Computed tomography, abdomen — axial plane, index 49 — soft-tissue window
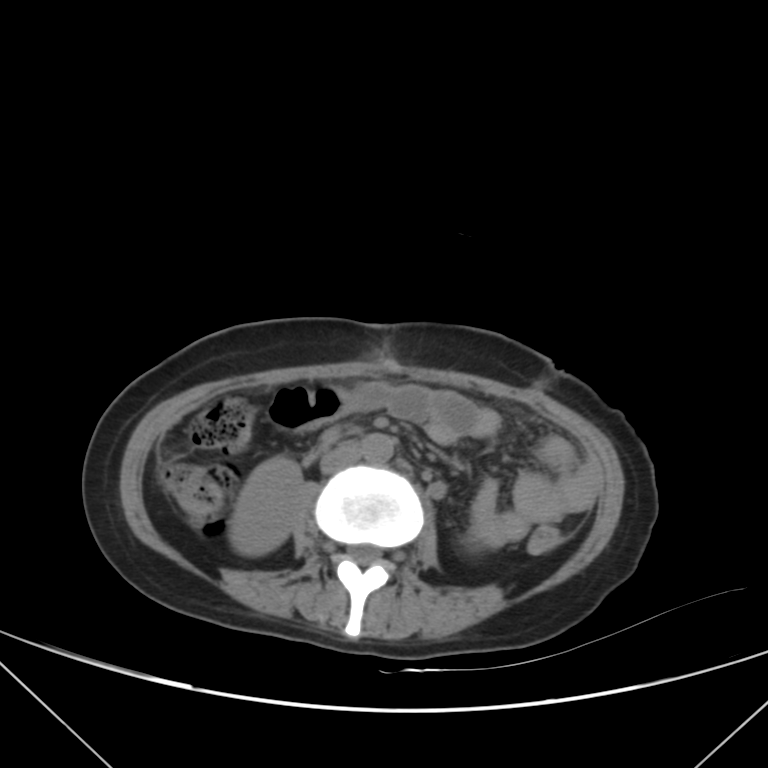

Coordinates as <box>x1,y1,x2,y2</box> in pixels.
Organ bounding boxes:
- aorta: <box>362,433,393,463</box>
- right kidney: <box>233,457,302,555</box>
- inferior vena cava: <box>320,442,361,474</box>